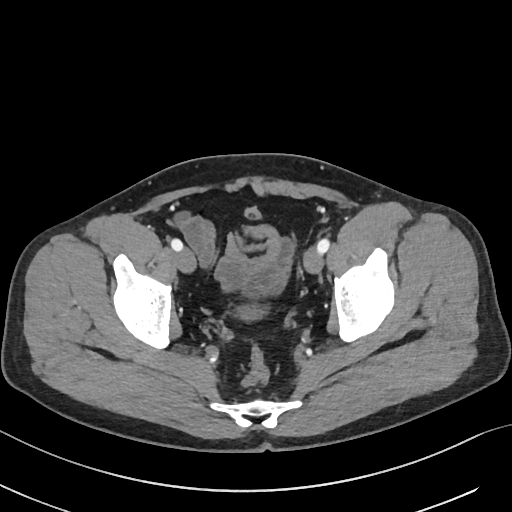

Abdominal CT — Axial slice 49/307 — soft-tissue window — acquired on SOMATOM Force
<organs><organ name="bladder" x1="241" y1="208" x2="260" y2="319"/></organs>